Abdominal CT · axial view · 38-year-old female patient · scan has 15 labeled organs (a whole-scan count: organs this slice does not pass through have no box)
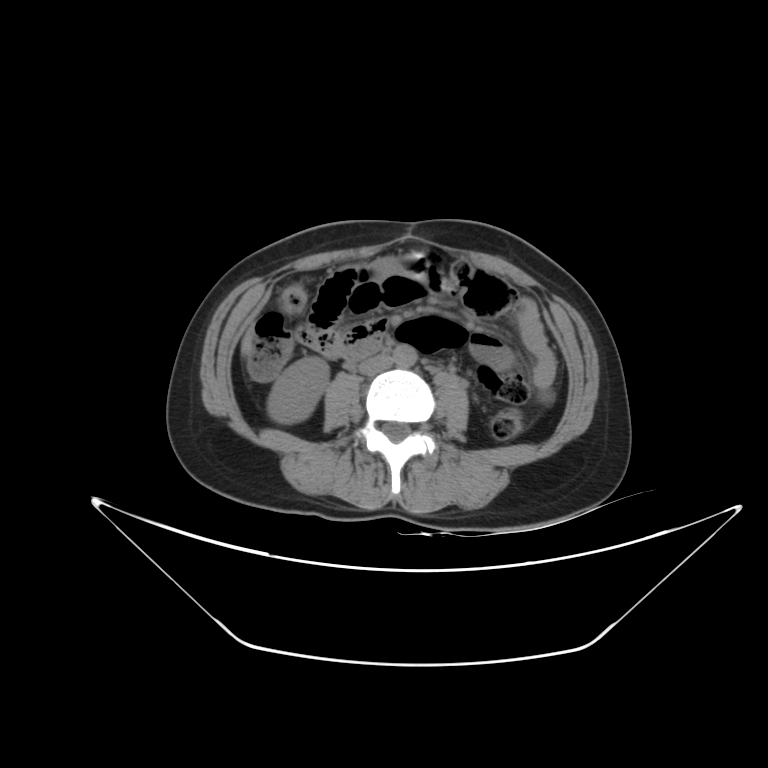

Organ boxes in pixel coordinates; each row gives the top-left (x1, y1) and bottom-right (x2, y2) corners.
| organ | x1 | y1 | x2 | y2 |
|---|---|---|---|---|
| right kidney | 267 | 357 | 329 | 423 |
| liver | 241 | 328 | 253 | 356 |
| aorta | 393 | 344 | 417 | 368 |
| inferior vena cava | 359 | 354 | 392 | 374 |